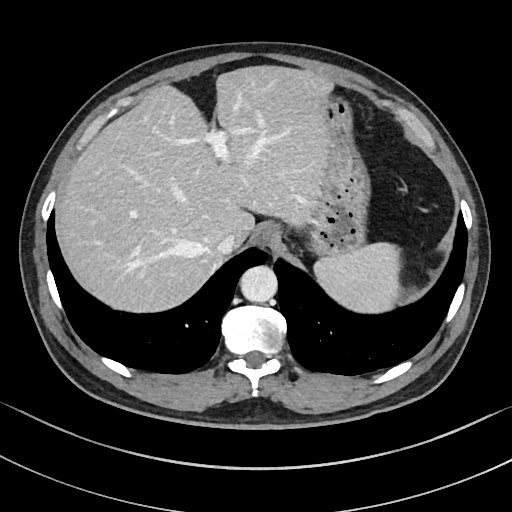 Computed tomography, abdomen. axial view. soft-tissue window. scan has 15 labeled organs (a whole-scan count: organs this slice does not pass through have no box)
Bounding boxes in pixels, one row per box: x1, y1 is the top-left corner and x2, y2 the bottom-right.
| organ | x1 | y1 | x2 | y2 |
|---|---|---|---|---|
| spleen | 313 | 242 | 399 | 311 |
| esophagus | 257 | 223 | 279 | 249 |
| liver | 55 | 64 | 332 | 314 |
| stomach | 306 | 93 | 369 | 259 |
| aorta | 239 | 265 | 276 | 302 |
| inferior vena cava | 217 | 233 | 237 | 255 |